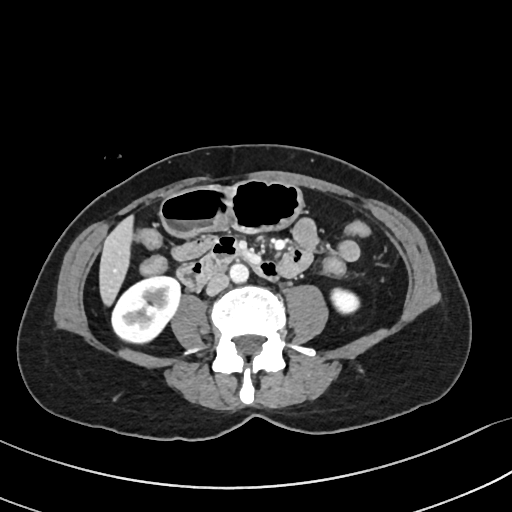
Computed tomography, abdomen; Axial slice 104/175; 512x512 px
Coordinates as <box>x1,y1,x2,y2</box> in pixels.
right kidney: <box>112,276,180,343</box>
left kidney: <box>331,289,359,313</box>
liver: <box>99,217,133,305</box>
stomach: <box>161,180,303,237</box>
aorta: <box>229,263,248,282</box>
inferior vena cava: <box>206,273,228,295</box>
duodenum: <box>177,238,278,290</box>